CT, abdomen/pelvis; axial plane, index 140; W/L 400/40 HU; 512x512 px
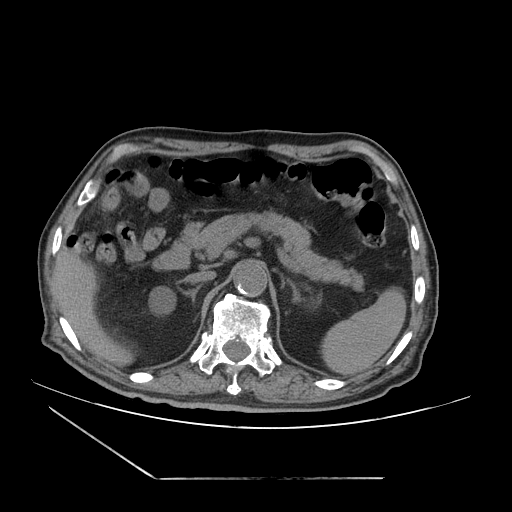
Boxes: x1:y1:x2:y2 in pixels.
aorta: 233:261:267:296
liver: 52:250:133:365
right kidney: 148:286:175:315
duodenum: 152:245:189:270
pancreas: 174:211:363:290
spleen: 321:289:406:374
right adrenal gland: 179:285:201:302
inferior vena cava: 185:271:215:283
left adrenal gland: 283:278:301:302